Chest-level slice from an abdominal CT that extends up into the chest. axial view. 512x512 px. 15 organs annotated in this scan (that count is for the whole scan; organs this slice misses have no box)
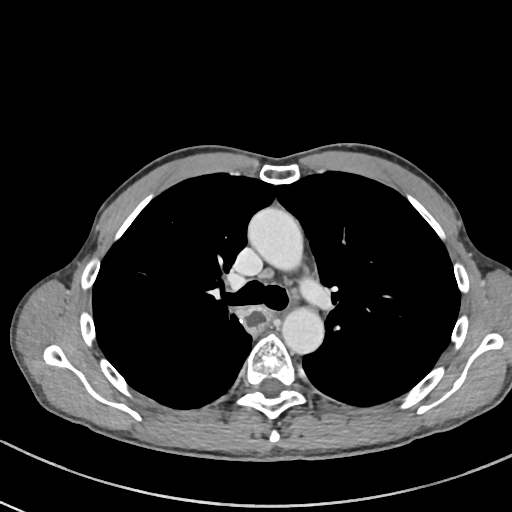 On a slice this high in the chest, this dataset labels only the esophagus and the aorta, and each is boxed only where it is labeled; the heart, lungs and other chest structures are not labeled.
<organs><organ name="esophagus" x1="238" y1="305" x2="271" y2="333"/><organ name="aorta" x1="248" y1="207" x2="302" y2="270"/><organ name="aorta" x1="282" y1="307" x2="324" y2="354"/></organs>